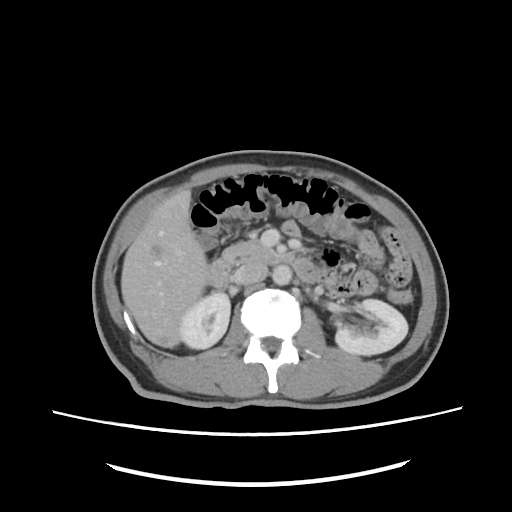
Abdominal CT — axial plane, index 62 — 54-year-old male patient
Box edges are left/top/right/bottom in pixels.
Organ bounding boxes:
- right kidney: left=179, top=291, right=230, bottom=348
- left kidney: left=335, top=299, right=407, bottom=355
- liver: left=121, top=189, right=207, bottom=347
- aorta: left=272, top=265, right=291, bottom=285
- inferior vena cava: left=233, top=262, right=268, bottom=284
- pancreas: left=222, top=239, right=273, bottom=263
- duodenum: left=206, top=253, right=320, bottom=287